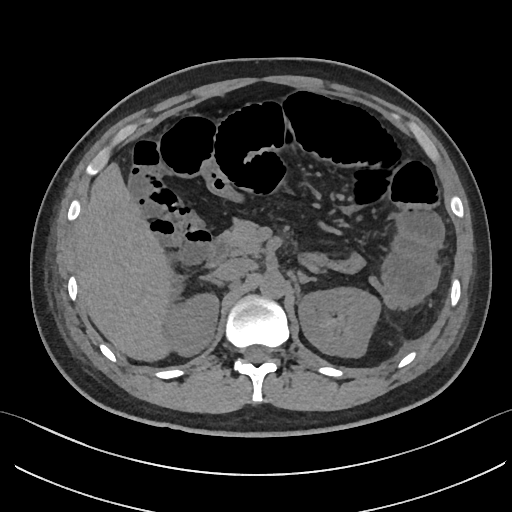
Computed tomography, abdomen; axial view; soft-tissue window (W 400 / L 40)
Coordinates as <box>x1,y1,x2,y2</box> in pixels. Labeled organs on this slice: right adrenal gland at <box>204,276,228,288</box>, left kidney at <box>299,289,379,357</box>, right kidney at <box>167,295,218,354</box>, left adrenal gland at <box>299,274,314,284</box>, pancreas at <box>222,218,259,254</box>, inferior vena cava at <box>214,258,253,281</box>, aorta at <box>260,272,285,299</box>, duodenum at <box>207,235,228,265</box>, liver at <box>74,161,174,362</box>.